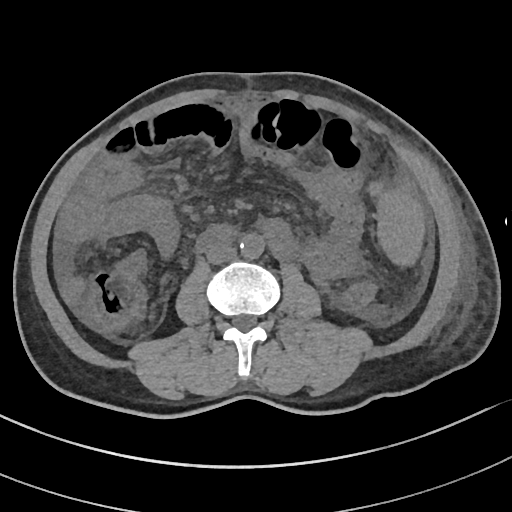 Computed tomography, abdomen — axial view — 512x512 px
Organ boxes in pixel coordinates; each row gives the top-left (x1, y1) and bottom-right (x2, y2) corners.
| organ | x1 | y1 | x2 | y2 |
|---|---|---|---|---|
| spleen | 377 | 187 | 424 | 266 |
| aorta | 240 | 233 | 264 | 258 |
| inferior vena cava | 206 | 243 | 236 | 263 |
| duodenum | 197 | 226 | 236 | 249 |